CT abdomen; axial plane, index 15; 768x768 px
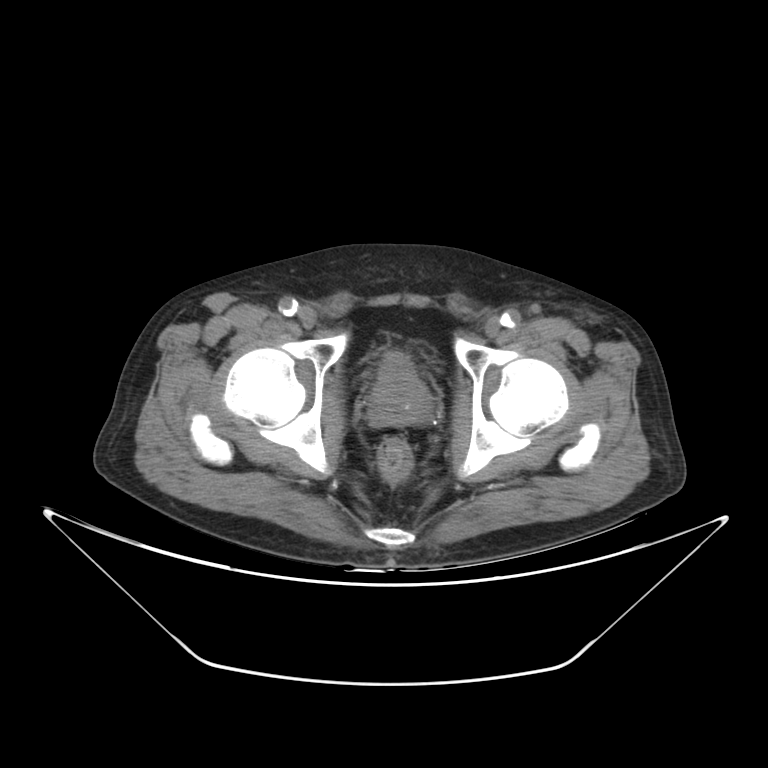 Coordinates as <box>x1,y1,x2,y2</box> in pixels. 2 labeled organs on this slice — bladder at <box>379,353,411,378</box>; prostate/uterus at <box>368,373,433,426</box>.